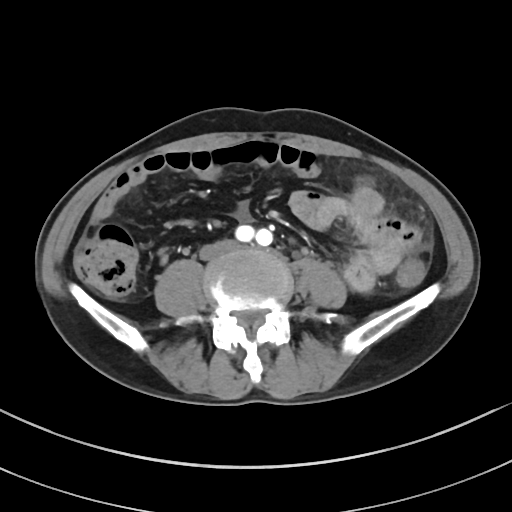
CT abdomen · Axial slice 41/89
<organs><organ name="inferior vena cava" x1="200" y1="240" x2="234" y2="259"/></organs>